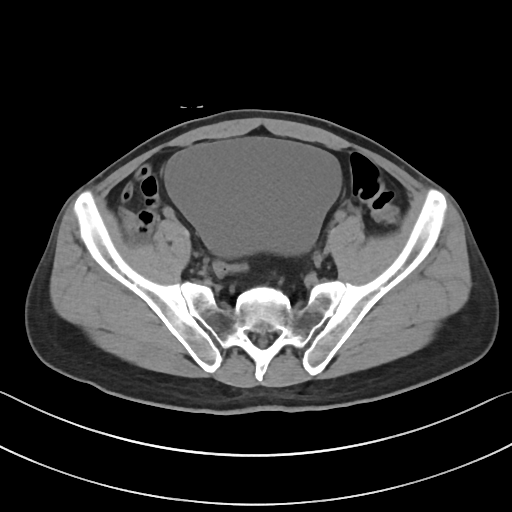

CT, abdomen/pelvis · axial view · 512x512 px · acquired on SOMATOM Force
Coordinates as <box>x1,y1,x2,y2</box> in pixels. Labeled organs on this slice: bladder at <box>164,138,341,257</box>.